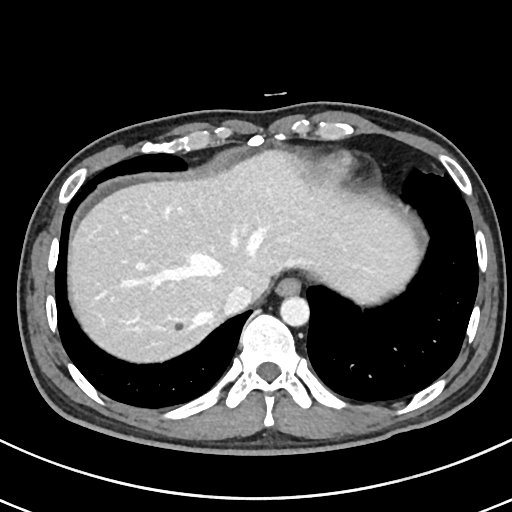
Computed tomography, abdomen — axial view — W/L 400/40 HU — 512x512 px — SOMATOM Force scanner
<organs><organ name="aorta" x1="280" y1="295" x2="309" y2="325"/><organ name="liver" x1="67" y1="149" x2="417" y2="360"/><organ name="esophagus" x1="276" y1="277" x2="301" y2="295"/><organ name="inferior vena cava" x1="222" y1="285" x2="252" y2="315"/></organs>